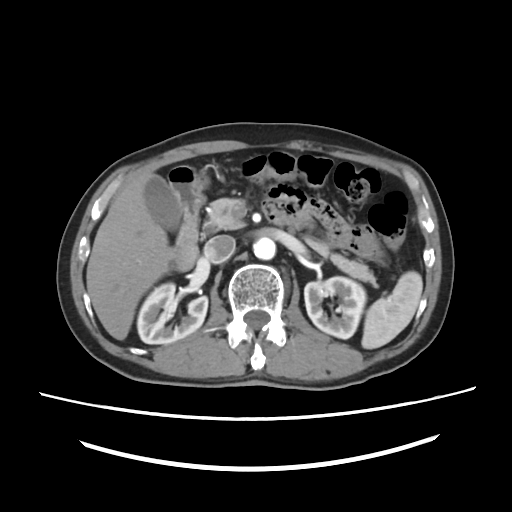 CT, abdomen/pelvis — axial view — 512x512 px — acquired on Aquilion ONE
One row per box, in pixels: columns x1 and y1 give the top-left corner, x2 and y2 the bottom-right.
| organ | x1 | y1 | x2 | y2 |
|---|---|---|---|---|
| pancreas | 209 | 198 | 376 | 285 |
| left kidney | 304 | 276 | 366 | 338 |
| duodenum | 168 | 165 | 205 | 271 |
| inferior vena cava | 203 | 235 | 235 | 263 |
| spleen | 361 | 271 | 422 | 349 |
| gall bladder | 144 | 174 | 180 | 230 |
| liver | 86 | 167 | 171 | 339 |
| aorta | 253 | 237 | 275 | 259 |
| stomach | 193 | 168 | 208 | 192 |
| right kidney | 137 | 282 | 207 | 344 |